Computed tomography, abdomen; axial view; 512x512 px; SOMATOM Force scanner; scan has 15 labeled organs (counted over the whole 3D scan, not this slice; an organ is boxed only where this slice passes through it)
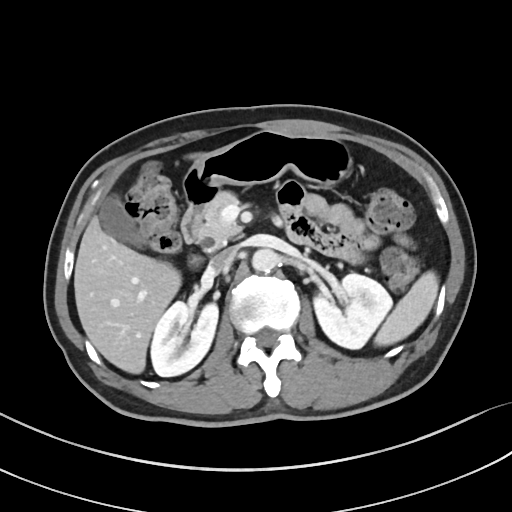
{"organs":{"spleen":[374,271,438,346],"right kidney":[150,301,218,376],"left kidney":[313,273,392,349],"gall bladder":[98,195,144,246],"liver":[74,153,204,373],"stomach":[182,130,352,187],"aorta":[251,248,278,272],"inferior vena cava":[206,248,236,275],"pancreas":[198,191,241,249],"duodenum":[181,168,220,266]}}